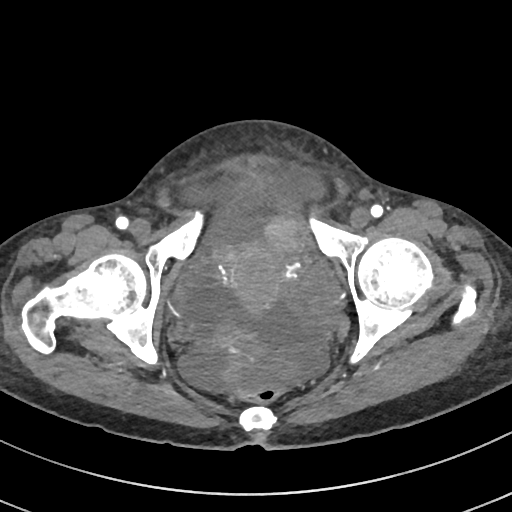

Abdominal CT · axial plane, index 24
<organs><organ name="prostate/uterus" x1="227" y1="246" x2="280" y2="312"/></organs>